Computed tomography, abdomen · axial view · abdomen soft-tissue window · 512x512 px
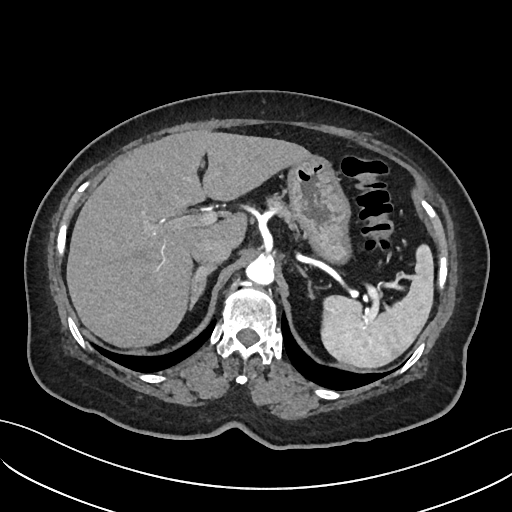
Bounding boxes as [x1, y1, x2, y2] in pixel coordinates.
spleen: [322, 243, 434, 369]
liver: [66, 129, 309, 348]
stomach: [287, 154, 350, 262]
aorta: [246, 254, 274, 283]
inferior vena cava: [191, 237, 232, 265]
pancreas: [268, 198, 296, 230]
right adrenal gland: [189, 265, 216, 310]
left adrenal gland: [295, 264, 315, 297]